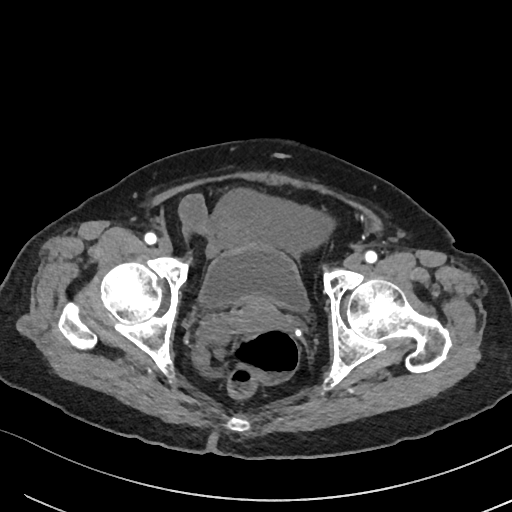

Abdominal CT; axial plane, index 39; soft-tissue window (W 400 / L 40)
Each box given as x1,y1,x2,y2.
bladder: x1=198, y1=245, x2=309, y2=311
prostate/uterus: x1=234, y1=300, x2=283, y2=329